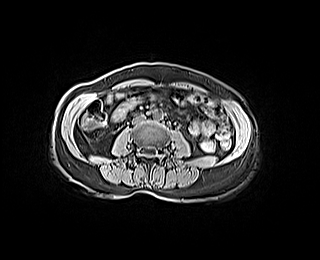
Magnetic resonance imaging, abdomen. Axial slice 17/72. percentile-normalized
Boxes: x1 y1 x2 y2 (pixel coords, space-separated).
Organ bounding boxes:
- inferior vena cava: 132 114 145 123
- aorta: 153 110 162 120